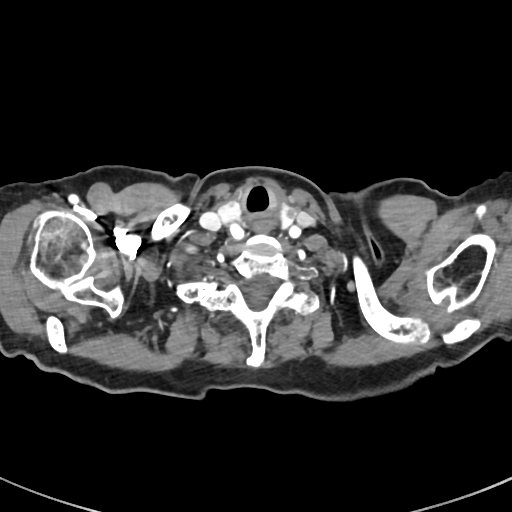
Chest-level CT slice, above the liver and spleen. Axial slice 274/279. soft-tissue window. 512x512 px. acquired on SOMATOM Force
At this level of the chest this dataset labels only the esophagus and the aorta, and each is boxed only where it is labeled; the heart and lungs are never labeled.
{"organs":{"esophagus":[251,220,274,232]}}